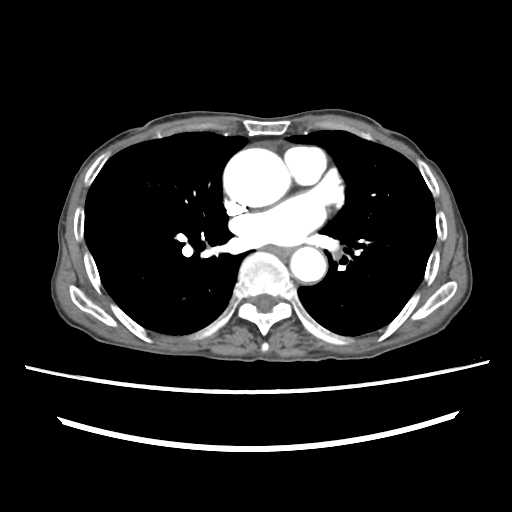

Chest-level CT slice, above the liver and spleen — axial view — soft-tissue window (W 400 / L 40) — 512x512 px — acquired on Aquilion ONE
On a slice this high in the chest, this dataset labels only the esophagus and the aorta, and each is boxed only where it is labeled; the heart, lungs and other chest structures are not labeled.
{"organs":{"esophagus":[266,245,291,256],"aorta":[[223,148,290,207],[290,247,326,282]]}}